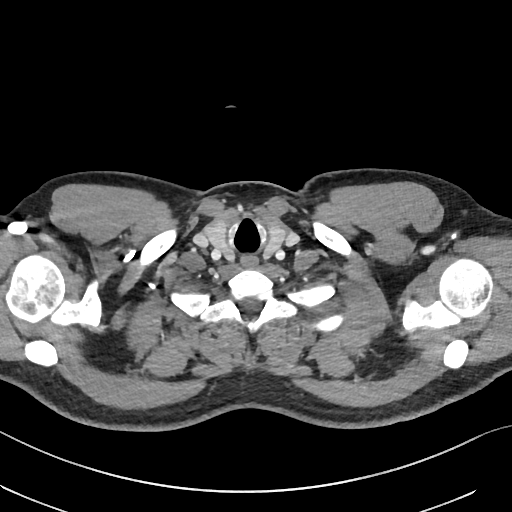 Chest-level CT slice, above the liver and spleen; axial view; soft-tissue window (W 400 / L 40)
At this level of the chest this dataset labels only the esophagus and the aorta, and each is boxed only where it is labeled; the heart and lungs are never labeled. Boxes: x1 y1 x2 y2 (pixel coords, space-separated). The annotated organs in this slice are: esophagus at 240 257 257 267.